Computed tomography, abdomen — axial view — soft-tissue window (W 400 / L 40)
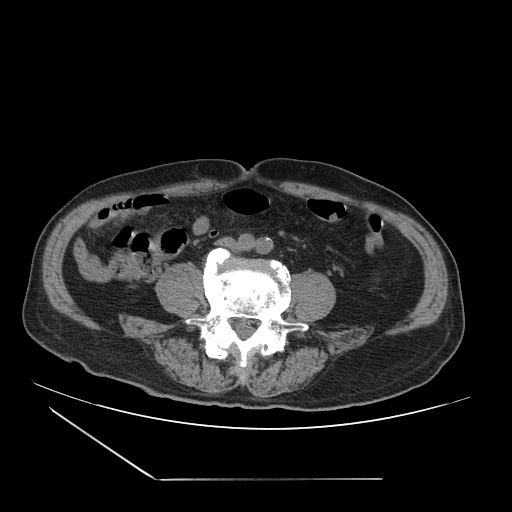
One row per box, in pixels: columns x1 and y1 give the top-left corner, x2 and y2 the bottom-right.
| organ | x1 | y1 | x2 | y2 |
|---|---|---|---|---|
| inferior vena cava | 217 | 238 | 234 | 247 |